Abdominal CT; this slice is in the lower chest, just above the liver — Axial slice 232/294 — W/L 400/40 HU — 512x512 px
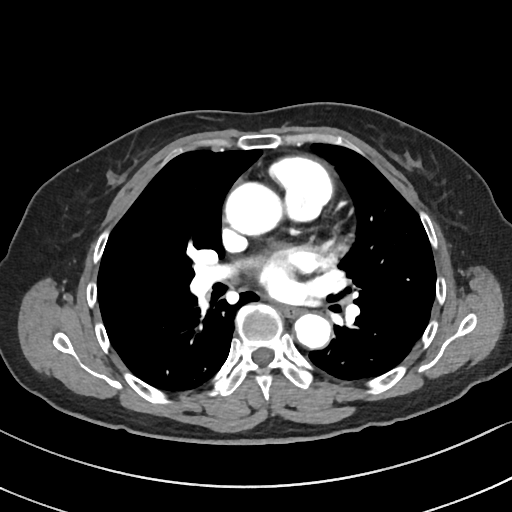

No part of the heart or lungs is labeled in this dataset, so neither has a box here. Each box given as x1,y1,x2,y2. Labeled organs on this slice: esophagus at x1=279, y1=306, x2=300, y2=316, aorta at x1=224, y1=182, x2=285, y2=235, aorta at x1=294, y1=313, x2=330, y2=348.